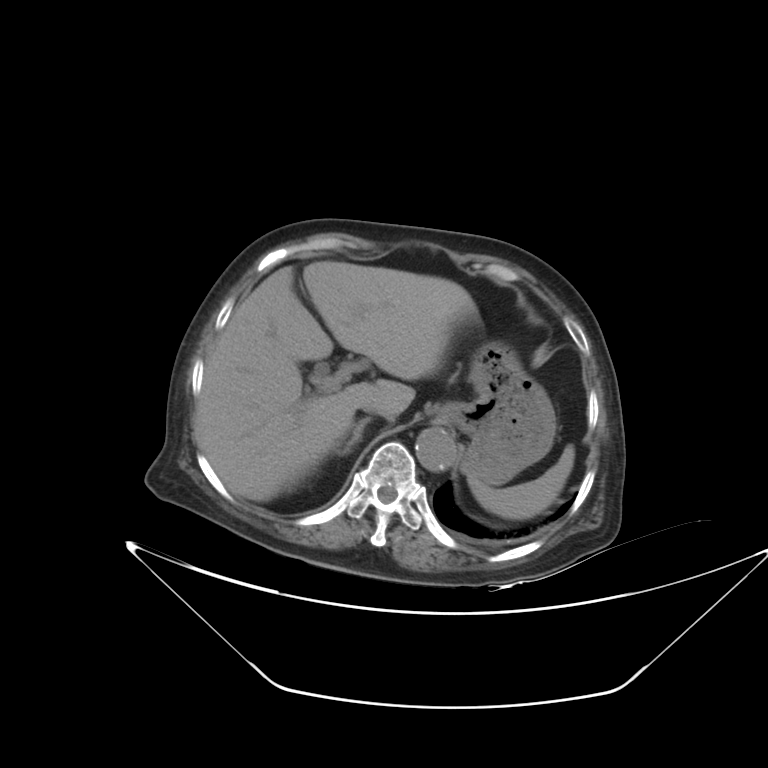
CT, abdomen/pelvis. axial view. abdomen soft-tissue window. acquired on Brilliance16
<organs><organ name="right adrenal gland" x1="334" y1="417" x2="371" y2="455"/><organ name="aorta" x1="415" y1="427" x2="456" y2="471"/><organ name="stomach" x1="436" y1="342" x2="556" y2="484"/><organ name="spleen" x1="469" y1="444" x2="574" y2="520"/><organ name="inferior vena cava" x1="362" y1="402" x2="392" y2="419"/><organ name="liver" x1="193" y1="261" x2="475" y2="501"/></organs>